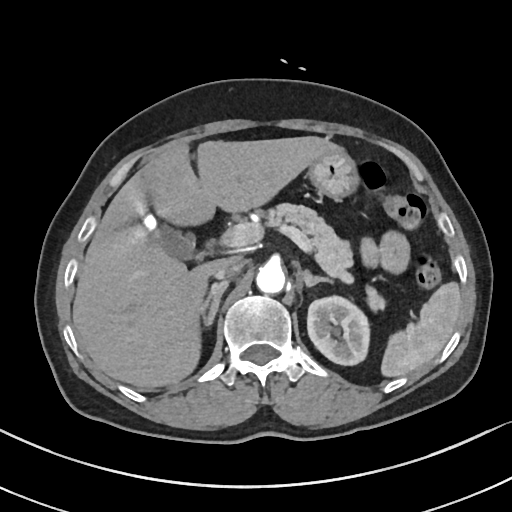

Abdominal CT · Axial slice 160/294 · abdomen soft-tissue window
<organs><organ name="spleen" x1="379" y1="281" x2="461" y2="378"/><organ name="left kidney" x1="307" y1="296" x2="368" y2="365"/><organ name="gall bladder" x1="145" y1="213" x2="193" y2="257"/><organ name="liver" x1="72" y1="136" x2="338" y2="389"/><organ name="stomach" x1="310" y1="146" x2="360" y2="200"/><organ name="aorta" x1="256" y1="262" x2="286" y2="294"/><organ name="inferior vena cava" x1="214" y1="260" x2="245" y2="280"/><organ name="pancreas" x1="264" y1="204" x2="386" y2="312"/><organ name="right adrenal gland" x1="203" y1="281" x2="228" y2="324"/><organ name="left adrenal gland" x1="300" y1="270" x2="331" y2="288"/></organs>